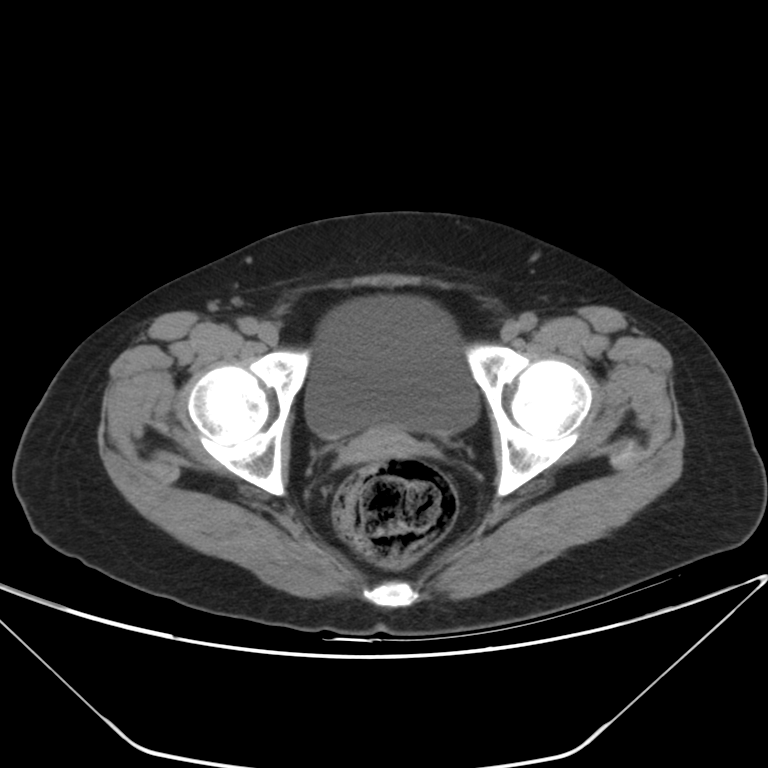

CT abdomen; Axial slice 15/94; W/L 400/40 HU
<organs><organ name="bladder" x1="304" y1="296" x2="478" y2="438"/><organ name="prostate/uterus" x1="343" y1="426" x2="418" y2="462"/></organs>